CT abdomen — axial view — 512x512 px
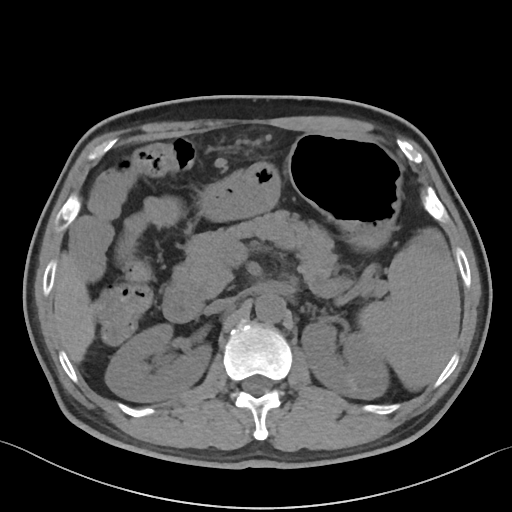 <organs><organ name="liver" x1="53" y1="253" x2="95" y2="363"/><organ name="stomach" x1="198" y1="133" x2="401" y2="249"/><organ name="pancreas" x1="173" y1="210" x2="337" y2="299"/><organ name="inferior vena cava" x1="204" y1="297" x2="235" y2="314"/><organ name="duodenum" x1="162" y1="283" x2="202" y2="322"/><organ name="left kidney" x1="301" y1="322" x2="388" y2="399"/><organ name="spleen" x1="358" y1="228" x2="459" y2="389"/><organ name="aorta" x1="255" y1="294" x2="285" y2="322"/><organ name="right kidney" x1="105" y1="324" x2="211" y2="401"/></organs>